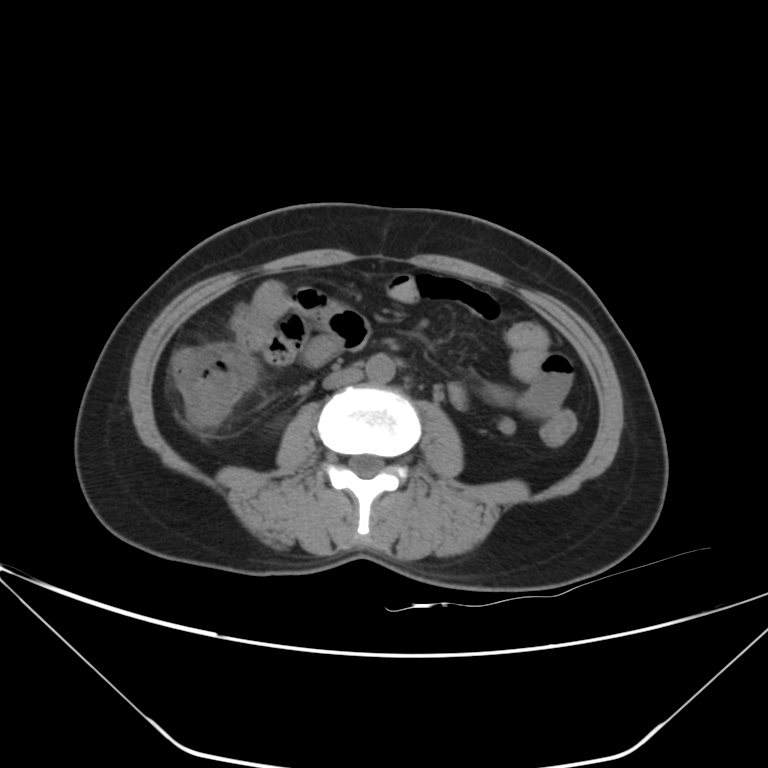 Abdominal CT · axial plane, index 43 · W/L 400/40 HU
{"organs":{"aorta":[365,353,396,383],"inferior vena cava":[323,367,363,389]}}